Abdominal CT · axial view · SOMATOM Force scanner · scan has 15 labeled organs (counted over the whole 3D scan, not this slice; an organ is boxed only where this slice passes through it)
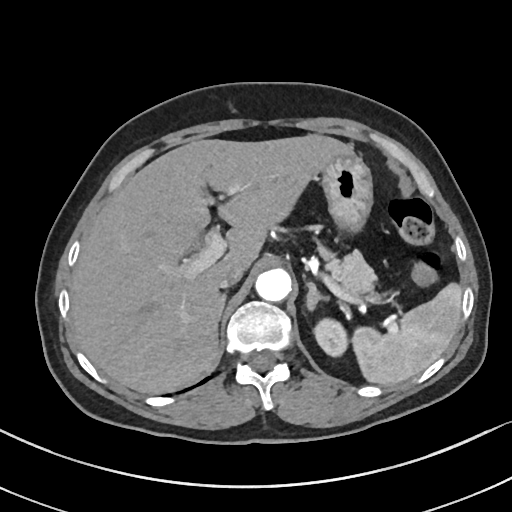

Bounding boxes in pixels, one row per box: x1, y1 is the top-left corner and x2, y2 the bottom-right.
| organ | x1 | y1 | x2 | y2 |
|---|---|---|---|---|
| left adrenal gland | 306 | 281 | 329 | 310 |
| right adrenal gland | 220 | 294 | 226 | 314 |
| pancreas | 322 | 248 | 376 | 297 |
| left kidney | 314 | 318 | 348 | 356 |
| liver | 71 | 134 | 351 | 394 |
| stomach | 320 | 151 | 372 | 233 |
| aorta | 255 | 268 | 291 | 301 |
| inferior vena cava | 217 | 264 | 245 | 287 |
| spleen | 352 | 282 | 461 | 385 |